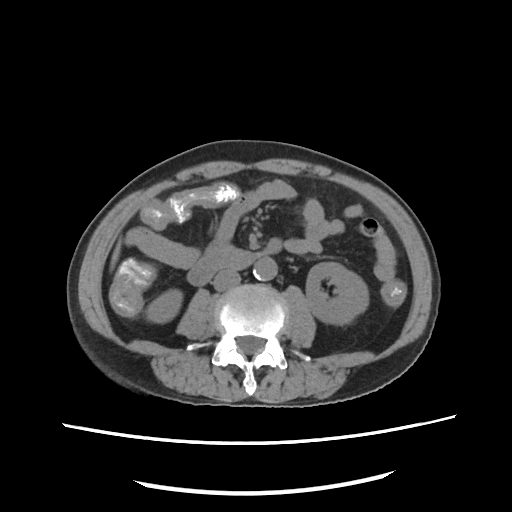

Abdominal CT. axial plane, index 46. soft-tissue window (W 400 / L 40). 512x512 px
Box edges are left/top/right/bottom in pixels.
right kidney: left=146, top=289, right=182, bottom=322
left kidney: left=306, top=262, right=368, bottom=324
liver: left=110, top=242, right=120, bottom=268
aorta: left=253, top=257, right=277, bottom=280
inferior vena cava: left=213, top=269, right=240, bottom=291
pancreas: left=204, top=242, right=234, bottom=257
duodenum: left=187, top=238, right=281, bottom=285